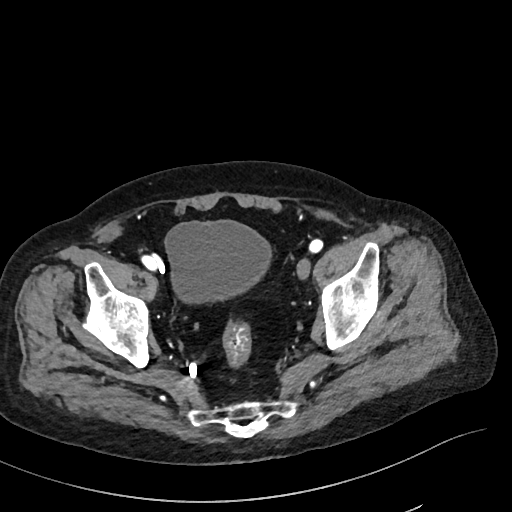
Computed tomography, abdomen · axial view · 512x512 px
Box edges are left/top/right/bottom in pixels. 1 labeled organ on this slice — bladder at left=164, top=220, right=271, bottom=303.